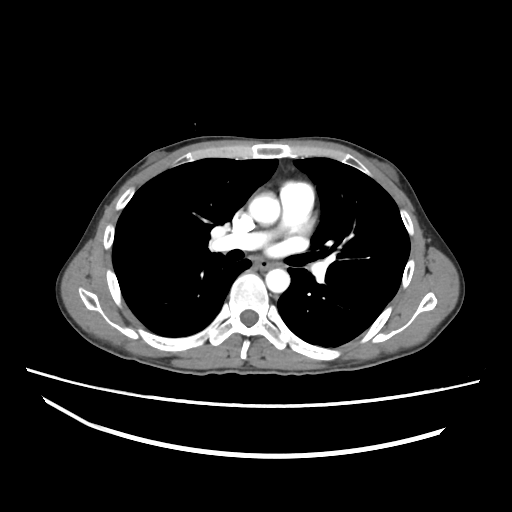 Chest-level CT slice, above the liver and spleen; axial view; 15 organs annotated in this scan (that count is for the whole scan; organs this slice misses have no box)
At this level of the chest no structure but the esophagus and the aorta has a label in this dataset, and those two are boxed only where they are labeled.
Organ boxes in pixel coordinates; each row gives the top-left (x1, y1) and bottom-right (x2, y2) corners.
| organ | x1 | y1 | x2 | y2 |
|---|---|---|---|---|
| esophagus | 253 | 257 | 274 | 270 |
| aorta | 248 | 192 | 280 | 225 |
| aorta | 265 | 268 | 289 | 292 |